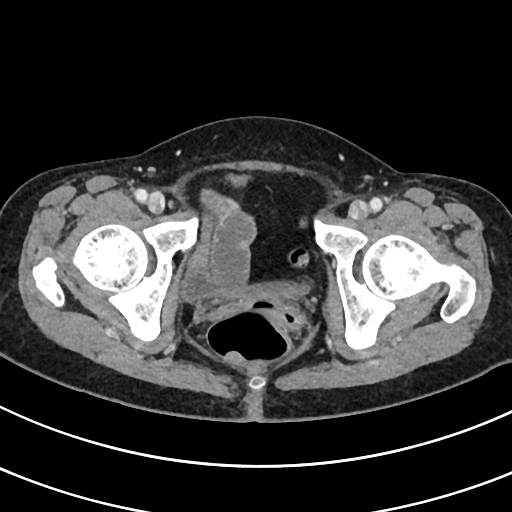

Abdominal CT — axial view — soft-tissue window (W 400 / L 40) — 15 organs annotated in this scan (that count is for the whole scan; organs this slice misses have no box)
Each box given as x1,y1,x2,y2.
Organ bounding boxes:
- bladder: x1=181, y1=174, x2=310, y2=301